Chest-level CT slice, above the liver and spleen — axial plane, index 82 — 512x512 px
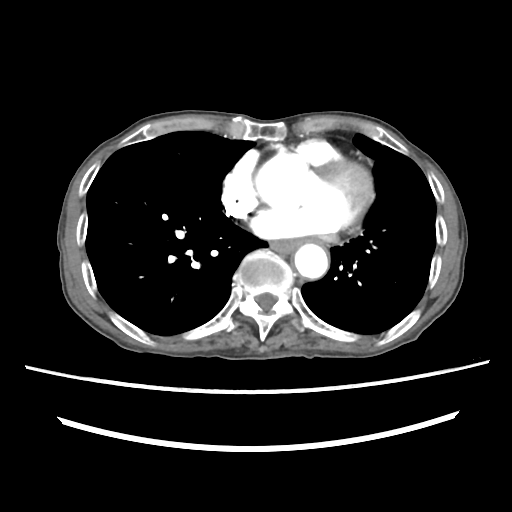

On a slice this high in the chest, this dataset labels only the esophagus and the aorta, and each is boxed only where it is labeled; the heart, lungs and other chest structures are not labeled.
{"organs":{"esophagus":[270,240,299,252],"aorta":[294,244,328,278]}}